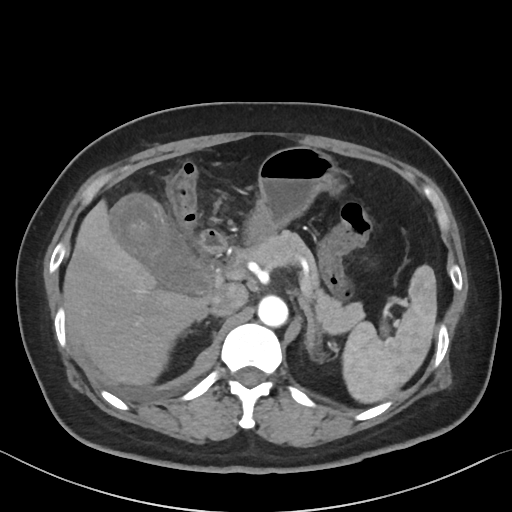
Computed tomography, abdomen. axial view
Bounding boxes in pixels, one row per box: x1, y1 is the top-left corner and x2, y2 the bottom-right.
| organ | x1 | y1 | x2 | y2 |
|---|---|---|---|---|
| spleen | 342 | 265 | 436 | 403 |
| gall bladder | 111 | 195 | 213 | 293 |
| liver | 63 | 200 | 211 | 385 |
| stomach | 244 | 145 | 341 | 244 |
| aorta | 258 | 295 | 288 | 326 |
| inferior vena cava | 209 | 283 | 248 | 315 |
| pancreas | 232 | 230 | 363 | 333 |
| right adrenal gland | 196 | 309 | 218 | 321 |
| left adrenal gland | 298 | 296 | 320 | 353 |
| duodenum | 198 | 228 | 227 | 255 |